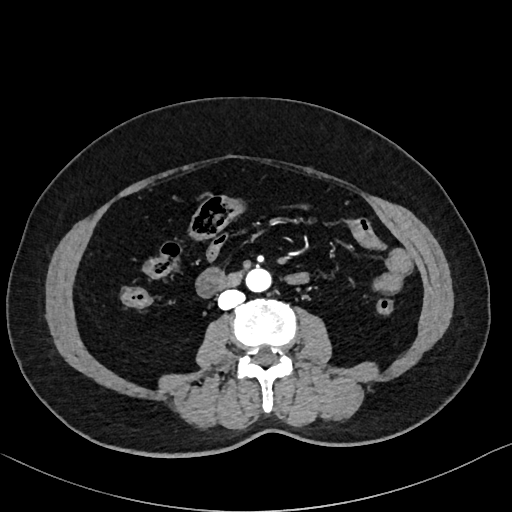 Computed tomography, abdomen; axial view; 512x512 px
{"organs":{"aorta":[245,268,269,292],"inferior vena cava":[217,289,244,309],"duodenum":[227,274,241,287]}}